CT abdomen. axial view. acquired on SOMATOM Force
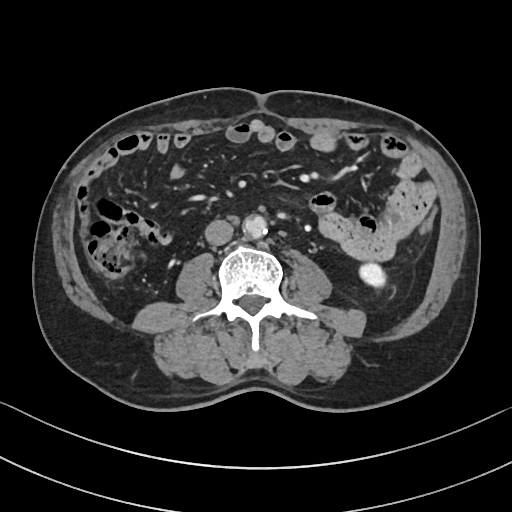
{"organs":{"left kidney":[359,263,385,286],"aorta":[243,215,267,237],"inferior vena cava":[205,219,233,245]}}